Abdominal MR; coronal view; 1st–99th percentile window; 260x320 px
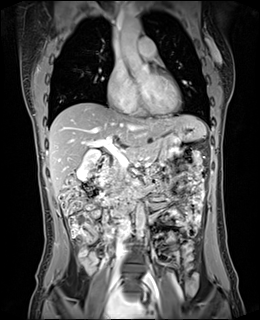
{"organs":{"gall bladder":[76,149,101,181],"liver":[48,102,205,195],"stomach":[172,121,203,141],"aorta":[[119,19,150,78],[136,205,144,238]],"inferior vena cava":[117,215,130,239],"pancreas":[103,142,160,184],"duodenum":[96,157,144,196]}}